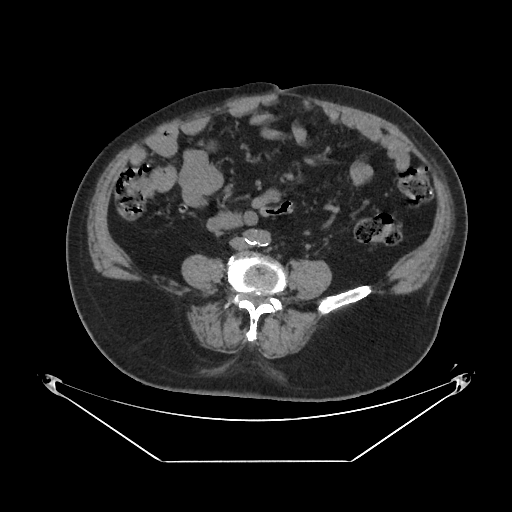 Computed tomography, abdomen · axial view · W/L 400/40 HU · acquired on SOMATOM Force · scan has 15 labeled organs (that count is for the whole scan; organs this slice misses have no box)
{"organs":{"aorta":[245,230,267,246],"inferior vena cava":[229,237,247,250]}}